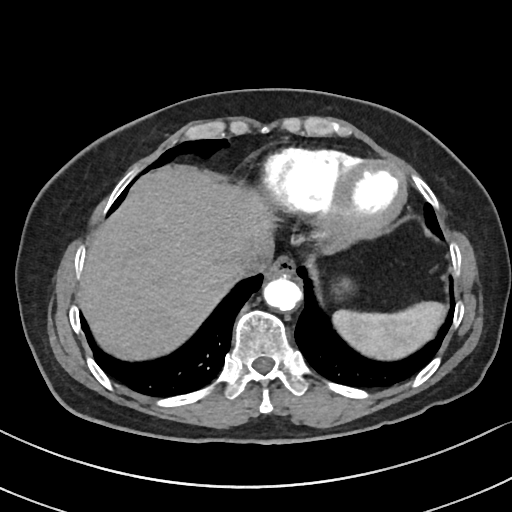

CT abdomen. axial view
<organs><organ name="spleen" x1="334" y1="301" x2="444" y2="360"/><organ name="esophagus" x1="266" y1="257" x2="296" y2="279"/><organ name="liver" x1="80" y1="167" x2="272" y2="360"/><organ name="stomach" x1="336" y1="280" x2="352" y2="292"/><organ name="aorta" x1="264" y1="277" x2="303" y2="311"/><organ name="inferior vena cava" x1="220" y1="249" x2="273" y2="282"/></organs>